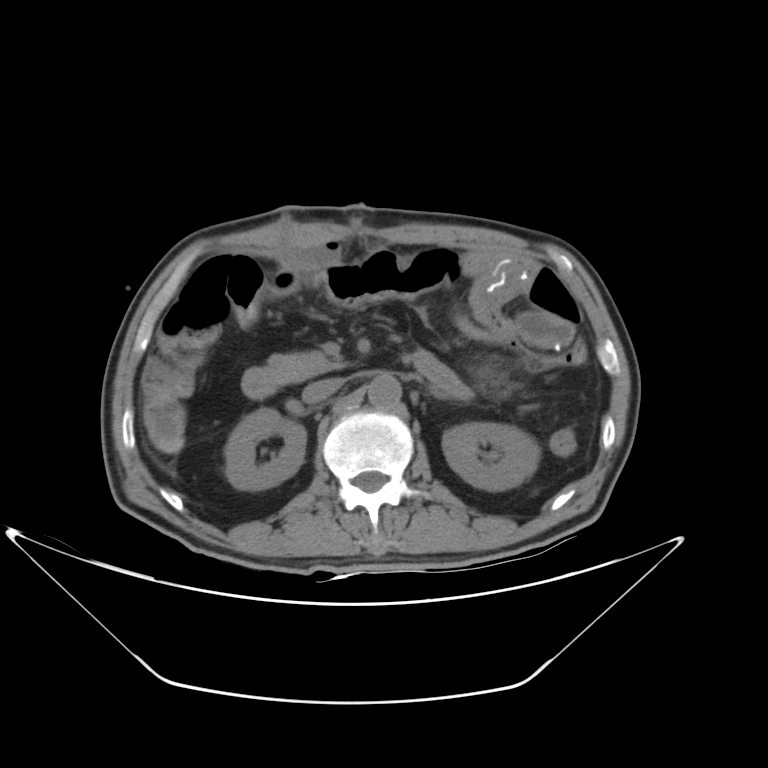

Computed tomography, abdomen · axial view · 768x768 px
Organ boxes in pixel coordinates; each row gives the top-left (x1, y1) and bottom-right (x2, y2) corners.
| organ | x1 | y1 | x2 | y2 |
|---|---|---|---|---|
| right kidney | 225 | 408 | 305 | 490 |
| left kidney | 442 | 422 | 539 | 491 |
| aorta | 367 | 374 | 401 | 407 |
| inferior vena cava | 303 | 378 | 342 | 403 |
| pancreas | 270 | 351 | 346 | 380 |
| left adrenal gland | 433 | 389 | 446 | 395 |
| duodenum | 242 | 367 | 277 | 398 |